CT, abdomen/pelvis. axial view. soft-tissue window. acquired on Brilliance16
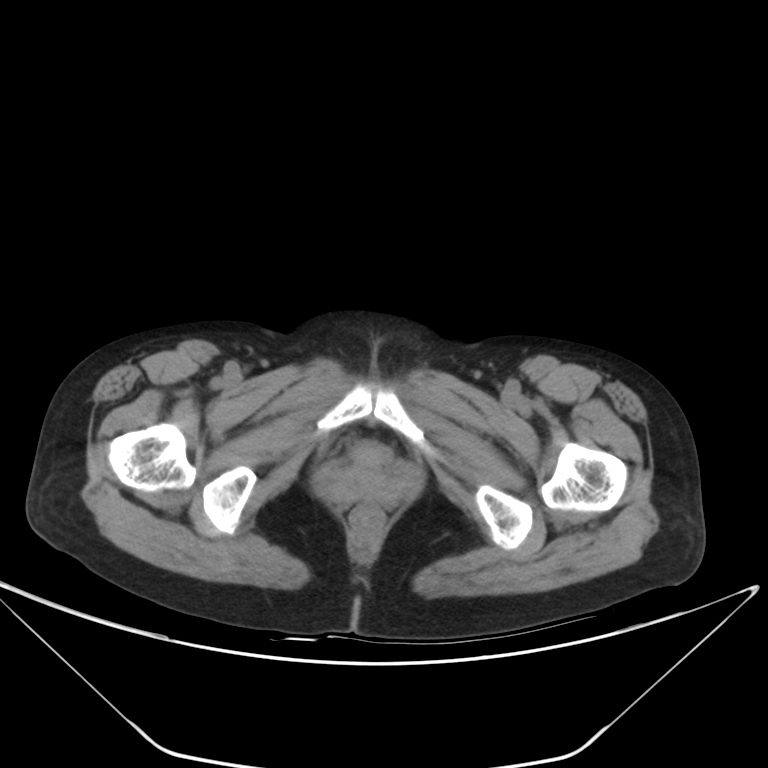
Bounding boxes in pixels, one row per box: x1, y1 is the top-left corner and x2, y2 the bottom-right.
| organ | x1 | y1 | x2 | y2 |
|---|---|---|---|---|
| bladder | 348 | 440 | 388 | 464 |